CT abdomen. axial view. soft-tissue window. 512x512 px. SOMATOM Force scanner
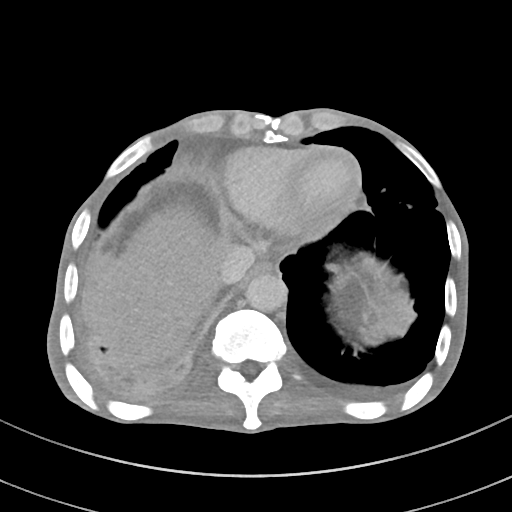
<organs><organ name="aorta" x1="245" y1="273" x2="287" y2="312"/><organ name="esophagus" x1="251" y1="258" x2="278" y2="275"/><organ name="inferior vena cava" x1="218" y1="244" x2="255" y2="284"/><organ name="liver" x1="90" y1="209" x2="230" y2="367"/></organs>